CT abdomen. axial view. abdomen soft-tissue window
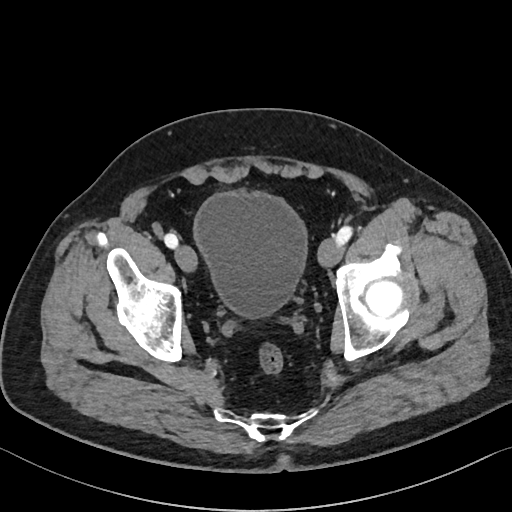
Box edges are left/top/right/bottom in pixels.
Organ bounding boxes:
- bladder: left=194, top=191, right=305, bottom=316